CT abdomen — axial view
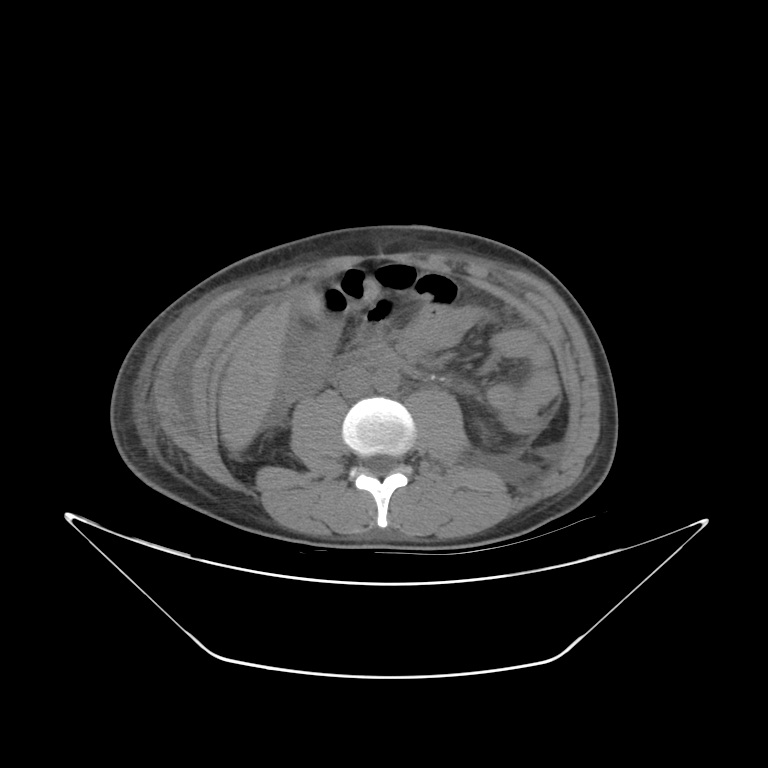
Bounding boxes as [x1, y1, x2, y2] in pixel coordinates.
Organ bounding boxes:
- inferior vena cava: [338, 368, 371, 398]
- gall bladder: [300, 295, 318, 311]
- duodenum: [336, 350, 396, 372]
- liver: [219, 301, 290, 445]
- aorta: [373, 368, 399, 392]